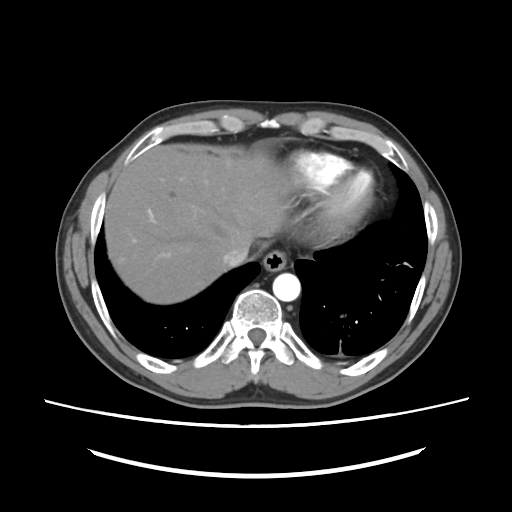

CT abdomen; axial view; 512x512 px; Aquilion ONE scanner
Box edges are left/top/right/bottom in pixels.
Organ bounding boxes:
- esophagus: left=263, top=250, right=287, bottom=271
- liver: left=105, top=145, right=291, bottom=304
- aorta: left=272, top=273, right=300, bottom=301
- inferior vena cava: left=222, top=244, right=248, bottom=267